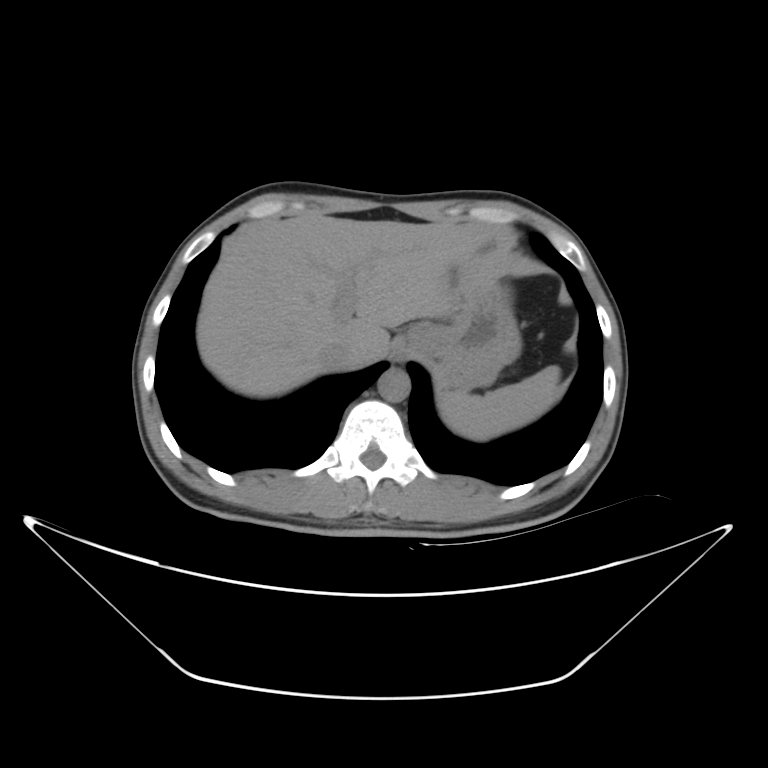

Computed tomography, abdomen — axial view — 31-year-old male patient
Coordinates as <box>x1,y1,x2,y2</box> in pixels.
aorta: <box>376,366,409,401</box>
inferior vena cava: <box>317,344,360,370</box>
stomach: <box>404,267,521,391</box>
liver: <box>195,216,498,398</box>
spleen: <box>439,366,561,439</box>